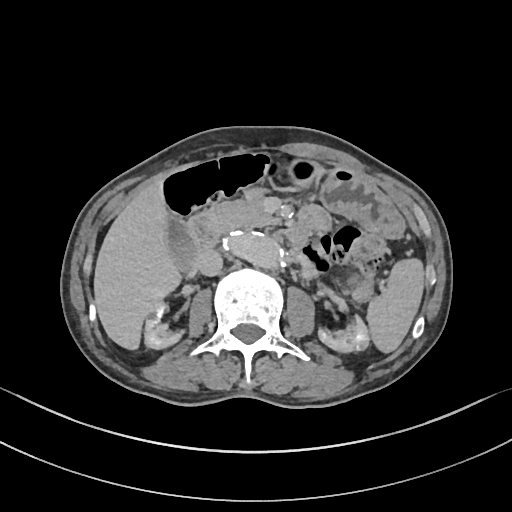

Abdominal CT · axial view · SOMATOM Force scanner
Each box given as x1,y1,x2,y2.
Organ bounding boxes:
- spleen: x1=367, y1=257, x2=423, y2=351
- right kidney: x1=143, y1=301, x2=180, y2=348
- left kidney: x1=319, y1=317, x2=369, y2=351
- gall bladder: x1=165, y1=216, x2=195, y2=269
- liver: x1=94, y1=178, x2=179, y2=349
- stomach: x1=290, y1=161, x2=403, y2=237
- aorta: x1=222, y1=232, x2=280, y2=266
- inferior vena cava: x1=195, y1=249, x2=221, y2=275
- pancreas: x1=208, y1=186, x2=278, y2=235
- duodenum: x1=188, y1=212, x2=307, y2=254